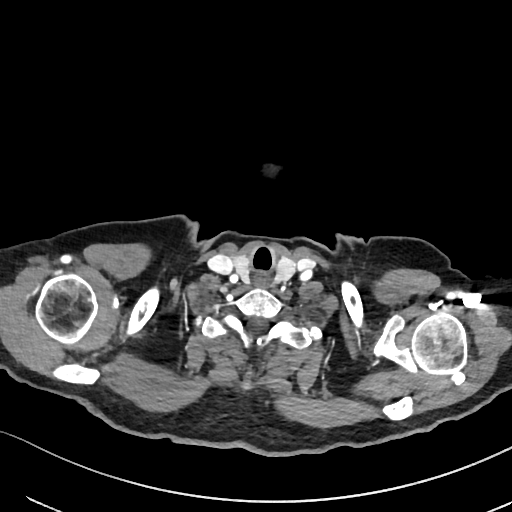
Abdominal CT reaching into the chest; this slice is in the chest · axial view · SOMATOM Force scanner
At this level of the chest no structure but the esophagus and the aorta has a label in this dataset, and those two are boxed only where they are labeled.
{"organs":{"esophagus":[254,273,269,288]}}